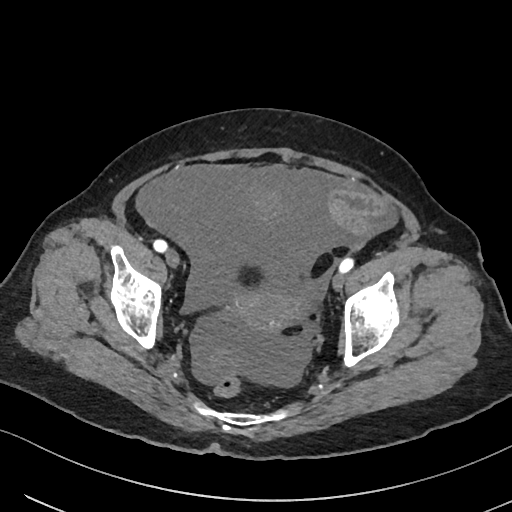

Abdominal CT · axial view · abdomen soft-tissue window · 512x512 px
Boxes: x1:y1:x2:y2 in pixels.
Organ bounding boxes:
- prostate/uterus: 230:289:302:331